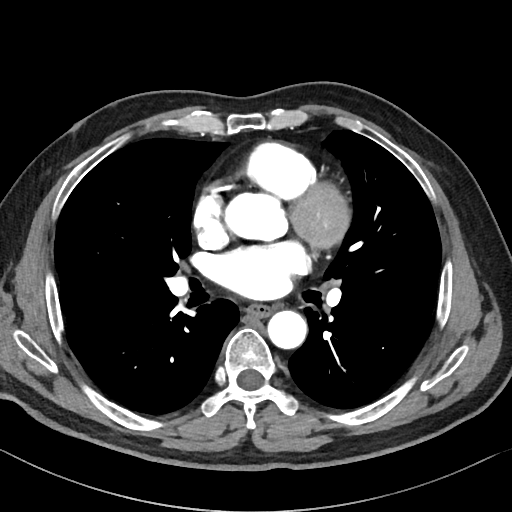 CT of the abdomen reaching into the lower chest, slice just above the liver and spleen; axial view
Of the structures in the chest, this dataset labels only the esophagus, the aorta and the inferior vena cava; the heart and lungs have no label. Boxes: x1 y1 x2 y2 (pixel coords, space-separated). The annotated organs in this slice are: esophagus at 247 304 271 317, aorta at 226 193 284 240, aorta at 267 310 307 349.